CT abdomen · axial view · soft-tissue window (W 400 / L 40)
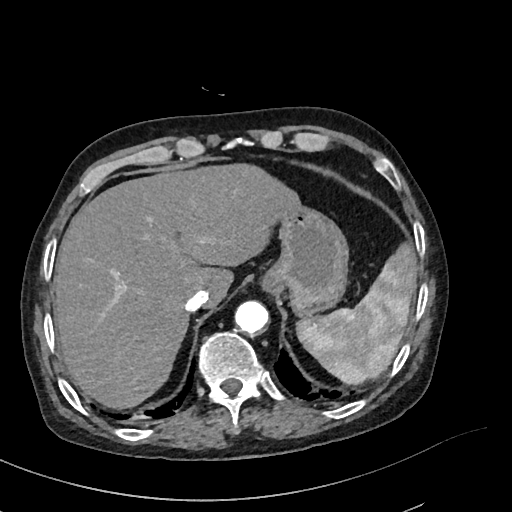
Box edges are left/top/right/bottom in pixels.
liver: left=54, top=165, right=301, bottom=408
inferior vena cava: left=186, top=289, right=209, bottom=311
spleen: left=295, top=244, right=416, bottom=383
aorta: left=234, top=301, right=268, bottom=334
stomach: left=260, top=206, right=347, bottom=315